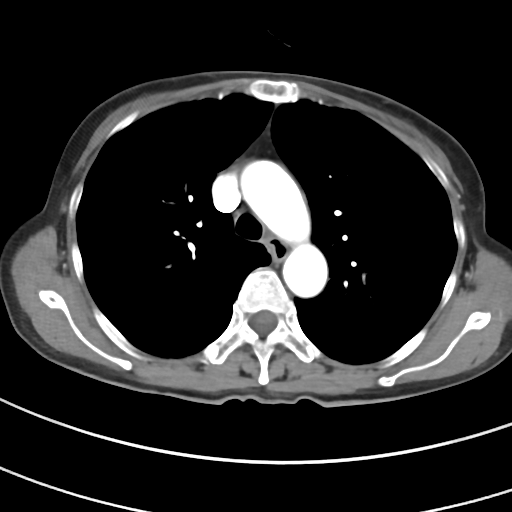
CT of the abdomen extending into the chest, slice through the chest; axial view; soft-tissue window, W/L 400/40
At this level of the chest no structure but the esophagus and the aorta has a label in this dataset, and those two are boxed only where they are labeled. Boxes: x1 y1 x2 y2 (pixel coords, space-separated). 2 labeled organs on this slice — esophagus at 265 237 286 259; aorta at 241 159 327 297.